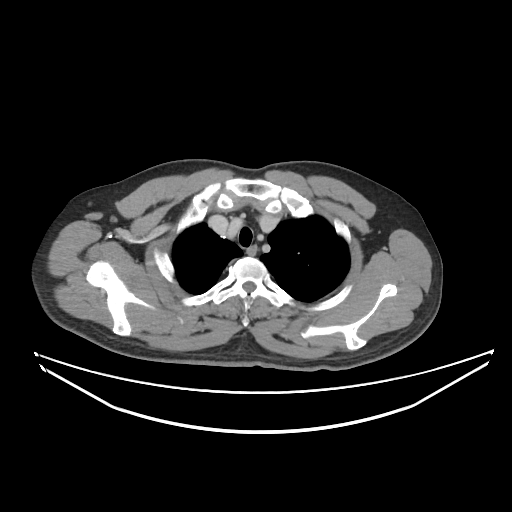
Abdominal CT reaching into the chest; this slice is in the chest · axial view · soft-tissue window, W/L 400/40 · 40-year-old male patient
At this level of the chest no structure but the esophagus and the aorta has a label in this dataset, and those two are boxed only where they are labeled.
Bounding boxes in pixels, one row per box: x1, y1 is the top-left corner and x2, y2 the bottom-right.
| organ | x1 | y1 | x2 | y2 |
|---|---|---|---|---|
| esophagus | 248 | 244 | 257 | 257 |